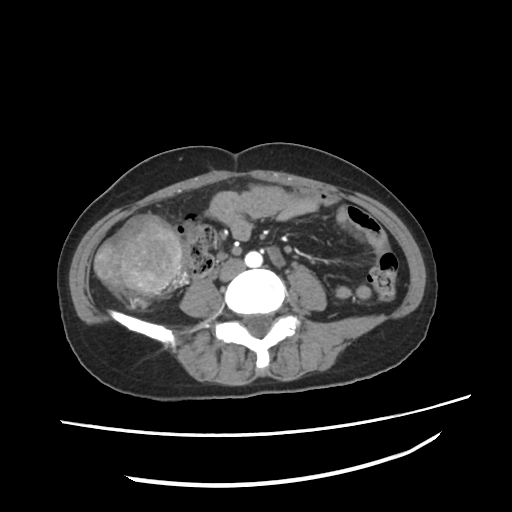
CT, abdomen/pelvis. axial plane, index 36. W/L 400/40 HU
Coordinates as <box>x1,y1,x2,y2</box> in pixels.
inferior vena cava: <box>219,260,245,283</box>
aorta: <box>245,251,262,268</box>